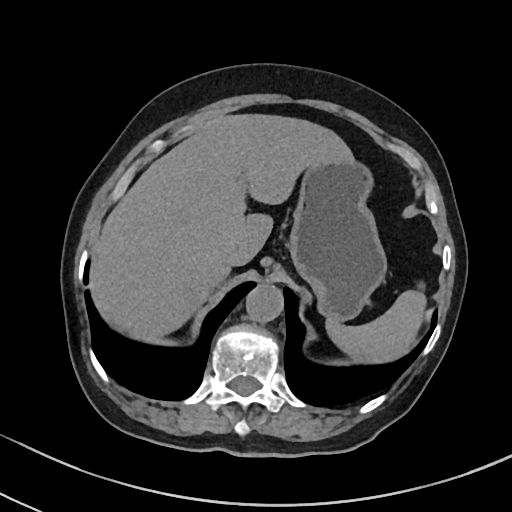 CT abdomen — axial plane, index 167 — abdomen soft-tissue window — scan has 15 labeled organs (that count is for the whole scan; organs this slice misses have no box)
Boxes: x1 y1 x2 y2 (pixel coords, space-separated).
spleen: 327 290 424 360
liver: 92 115 353 337
stomach: 288 161 386 320
aorta: 245 285 283 323
inferior vena cava: 222 244 241 266